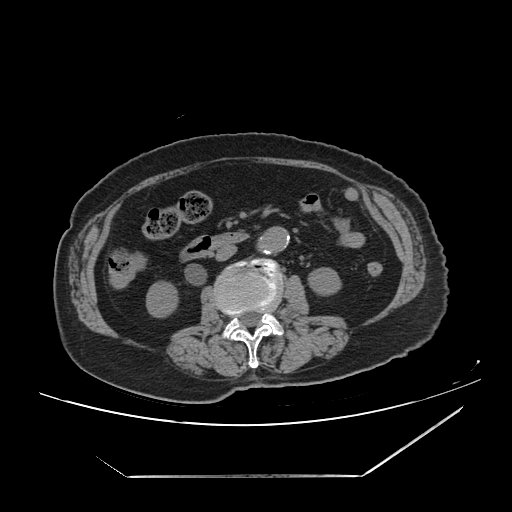 Abdominal CT; axial view; SOMATOM Force scanner
Each box given as x1,y1,x2,y2. 5 labeled organs on this slice — right kidney at x1=146, y1=279, x2=181, y2=319; left kidney at x1=306, y1=266, x2=342, y2=298; aorta at x1=253, y1=227, x2=288, y2=255; inferior vena cava at x1=212, y1=245, x2=235, y2=261; duodenum at x1=178, y1=232, x2=249, y2=263.